CT abdomen — axial plane, index 114
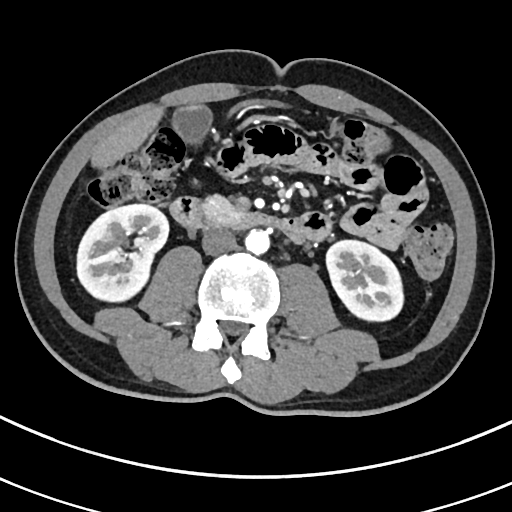
{"organs":{"gall bladder":[174,105,210,139],"duodenum":[169,196,304,241],"inferior vena cava":[202,228,236,255],"liver":[93,107,159,166],"right kidney":[77,203,168,299],"aorta":[244,229,269,254],"left kidney":[325,239,403,321],"pancreas":[207,197,235,217]}}